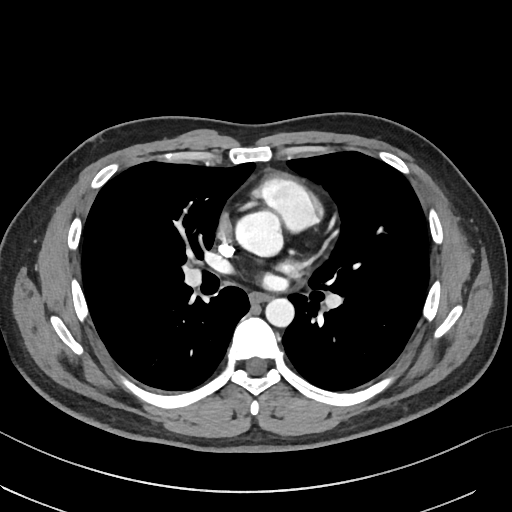 CT of the abdomen extending into the chest, slice through the chest. axial plane, index 235. SOMATOM Force scanner
On a slice this high in the chest, this dataset labels only the esophagus and the aorta, and each is boxed only where it is labeled; the heart, lungs and other chest structures are not labeled.
Coordinates as <box>x1,y1,x2,y2</box> in pixels.
Organ bounding boxes:
- esophagus: <box>249,292,269,302</box>
- aorta: <box>235,211,282,256</box>
- aorta: <box>265,298,294,327</box>